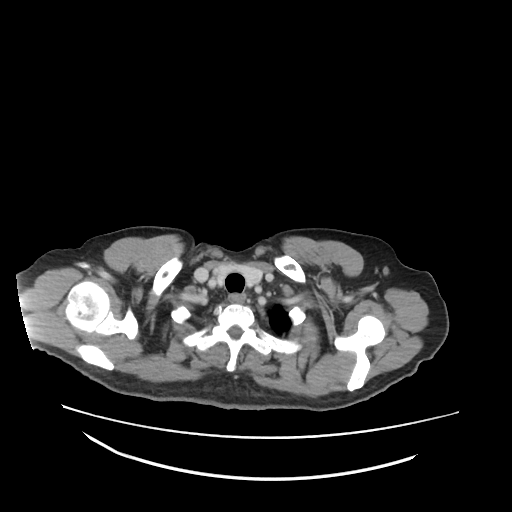

Abdominal CT reaching into the chest; this slice is in the chest — axial plane, index 113 — 512x512 px
At this level of the chest this dataset labels only the esophagus and the aorta, and each is boxed only where it is labeled; the heart and lungs are never labeled. Each box given as x1,y1,x2,y2. The annotated organs in this slice are: esophagus at x1=229, y1=294, x2=244, y2=302.